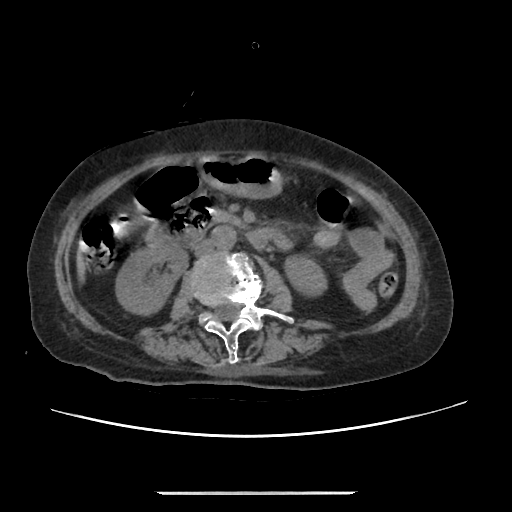
Computed tomography, abdomen · axial plane, index 205 · 512x512 px · scan has 14 labeled organs (that count is for the whole scan; organs this slice misses have no box)
{"organs":{"aorta":[212,226,236,248],"left kidney":[284,256,328,293],"stomach":[199,156,282,198],"right kidney":[115,244,187,315],"duodenum":[146,200,275,248],"inferior vena cava":[194,239,215,256]}}